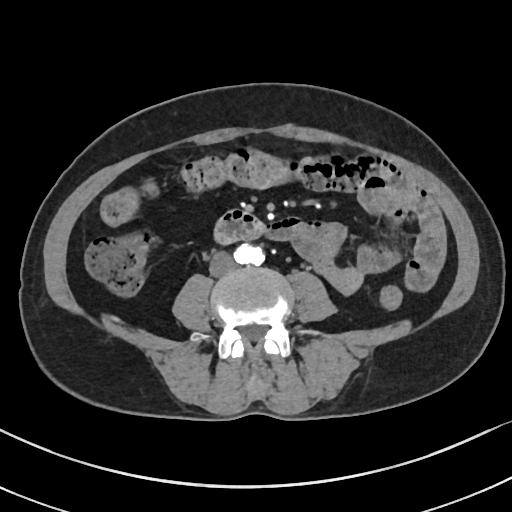
Computed tomography, abdomen — axial plane, index 104 — W/L 400/40 HU — scan has 15 labeled organs (counted over the whole 3D scan, not this slice; an organ is boxed only where this slice passes through it)
<organs><organ name="inferior vena cava" x1="209" y1="253" x2="235" y2="276"/><organ name="duodenum" x1="216" y1="208" x2="264" y2="243"/><organ name="aorta" x1="232" y1="244" x2="264" y2="266"/></organs>